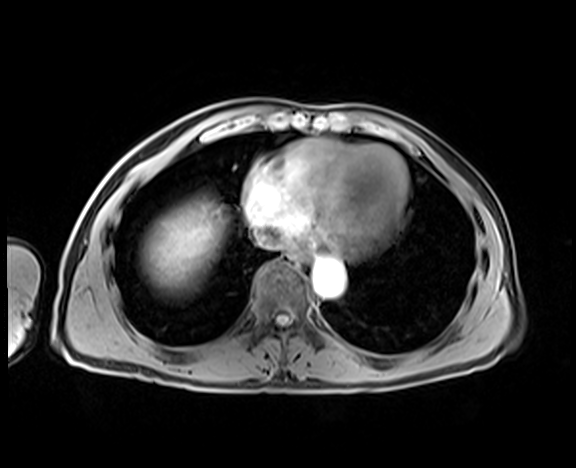
Magnetic resonance imaging, abdomen — Axial slice 62/72 — 576x468 px
Boxes: x1:y1:x2:y2 in pixels. 4 labeled organs on this slice — esophagus at 284:251:309:265; liver at 141:189:229:299; aorta at 313:259:344:297; inferior vena cava at 255:229:284:250.